Chest-level CT slice, above the liver and spleen — axial view — soft-tissue window, W/L 400/40
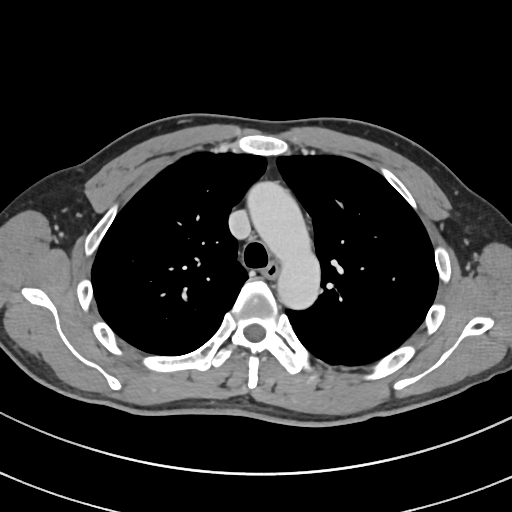

At this level of the chest no structure but the esophagus and the aorta has a label in this dataset, and those two are boxed only where they are labeled.
{"organs":{"esophagus":[262,261,279,278],"aorta":[247,182,319,309]}}